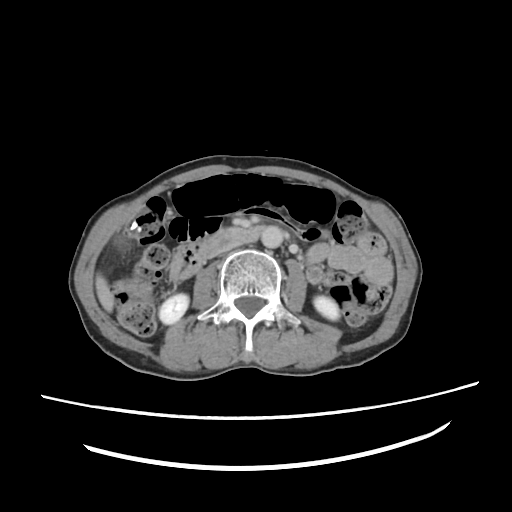

CT, abdomen/pelvis — axial view — 512x512 px — acquired on Aquilion ONE
Boxes are (x1, y1, x2, y2) in pixels.
Organ bounding boxes:
- right kidney: (159, 294, 188, 323)
- left kidney: (314, 296, 338, 320)
- liver: (95, 273, 114, 312)
- aorta: (260, 225, 282, 247)
- inferior vena cava: (205, 240, 240, 258)
- pancreas: (200, 238, 221, 254)
- duodenum: (171, 228, 259, 279)